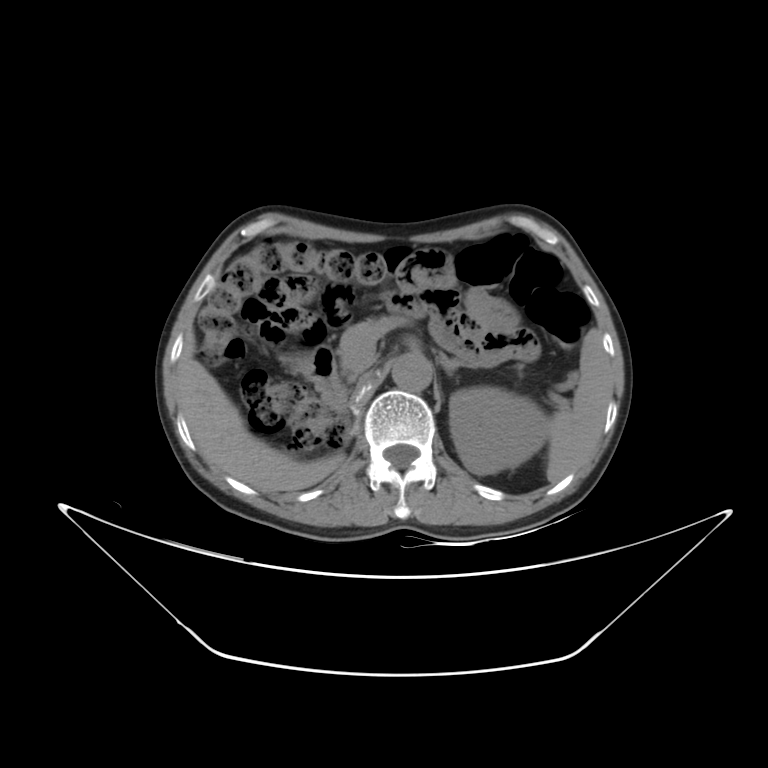 CT abdomen. axial view. W/L 400/40 HU. 14 organs annotated in this scan (a whole-scan count: organs this slice does not pass through have no box)
<organs><organ name="spleen" x1="546" y1="329" x2="612" y2="482"/><organ name="left kidney" x1="449" y1="387" x2="549" y2="475"/><organ name="liver" x1="176" y1="331" x2="343" y2="491"/><organ name="stomach" x1="292" y1="356" x2="305" y2="372"/><organ name="aorta" x1="392" y1="353" x2="432" y2="391"/><organ name="inferior vena cava" x1="356" y1="373" x2="371" y2="389"/><organ name="pancreas" x1="338" y1="316" x2="405" y2="381"/><organ name="left adrenal gland" x1="439" y1="354" x2="464" y2="374"/><organ name="duodenum" x1="303" y1="345" x2="347" y2="412"/></organs>